Abdominal CT. axial view. W/L 400/40 HU. male patient aged 90 or older
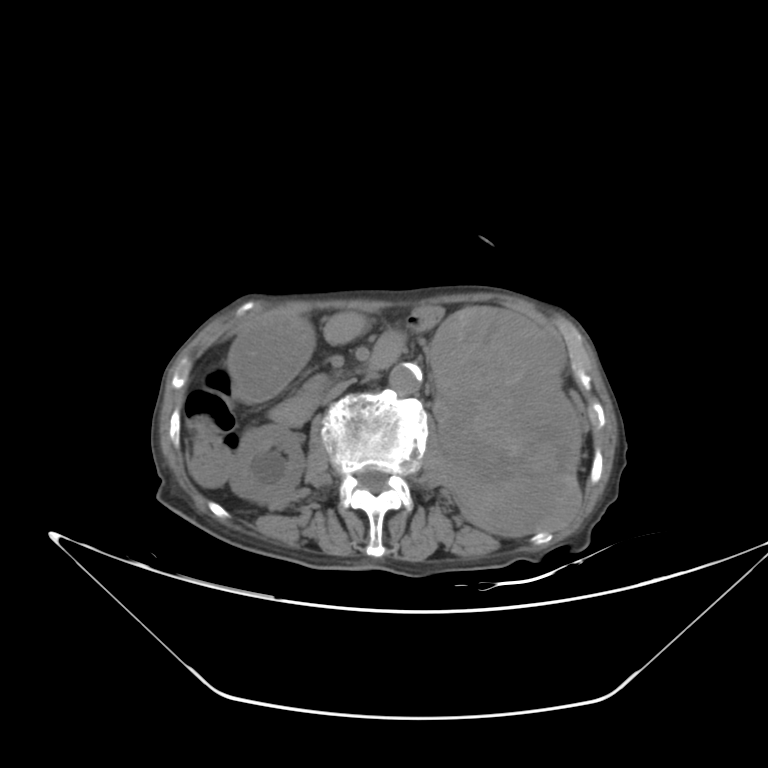
Each box given as x1,y1,x2,y2.
Organ bounding boxes:
- right kidney: x1=228, y1=425, x2=300, y2=501
- left kidney: x1=430, y1=305, x2=581, y2=538
- stomach: x1=228, y1=316, x2=313, y2=401
- aorta: x1=390, y1=363, x2=421, y2=394
- inferior vena cava: x1=321, y1=379, x2=355, y2=405
- duodenum: x1=269, y1=331, x2=402, y2=428